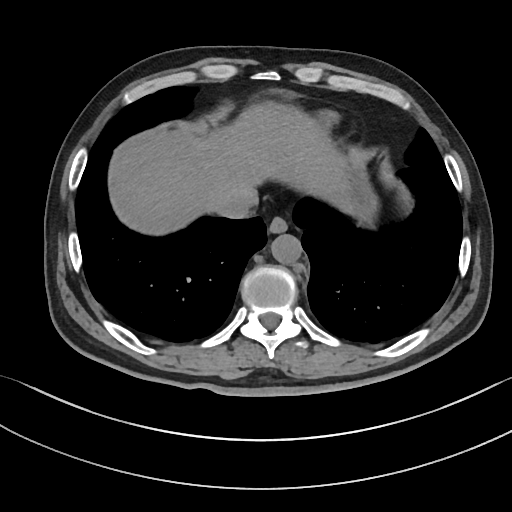 Abdominal CT — axial view — soft-tissue window — 512x512 px
One row per box, in pixels: columns x1 and y1 give the top-left corner, x2 and y2 the bottom-right.
| organ | x1 | y1 | x2 | y2 |
|---|---|---|---|---|
| esophagus | 268 | 216 | 287 | 233 |
| inferior vena cava | 216 | 192 | 257 | 218 |
| liver | 108 | 101 | 352 | 235 |
| stomach | 347 | 159 | 378 | 221 |
| aorta | 270 | 234 | 302 | 264 |